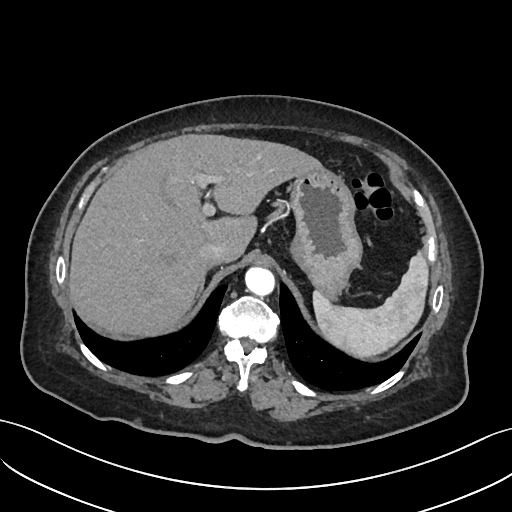

Abdominal CT · Axial slice 158/276 · abdomen soft-tissue window · 15 organs annotated in this scan (counted over the whole 3D scan, not this slice; an organ is boxed only where this slice passes through it)
Box edges are left/top/right/bottom in pixels. The annotated organs in this slice are: spleen at left=313, top=250, right=428, bottom=356, liver at left=67, top=133, right=321, bottom=337, right adrenal gland at left=196, top=279, right=205, bottom=298, inferior vena cava at left=198, top=241, right=227, bottom=267, stomach at left=289, top=166, right=361, bottom=296, aorta at left=245, top=266, right=275, bottom=294.